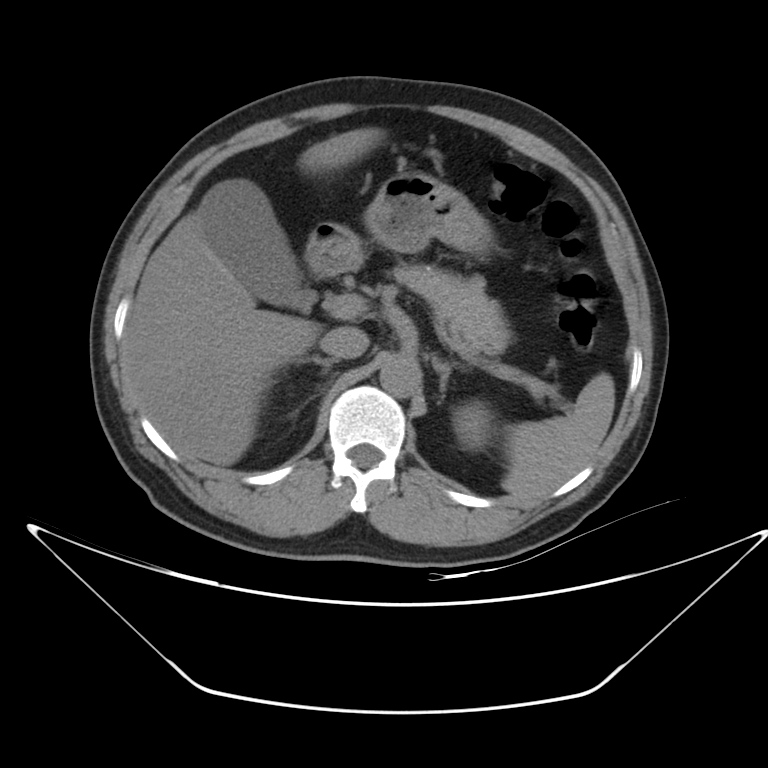 Computed tomography, abdomen — axial view — soft-tissue window — 768x768 px — Brilliance16 scanner
Boxes are (x1, y1, x2, y2) in pixels.
left kidney: (452, 401, 492, 450)
stomach: (306, 171, 493, 274)
spleen: (502, 373, 614, 498)
inferior vena cava: (320, 327, 369, 358)
left adrenal gland: (431, 355, 468, 397)
right adrenal gland: (296, 356, 337, 373)
gall bladder: (202, 179, 309, 308)
liver: (122, 128, 374, 465)
pancreas: (392, 264, 511, 358)
aorta: (380, 355, 421, 397)